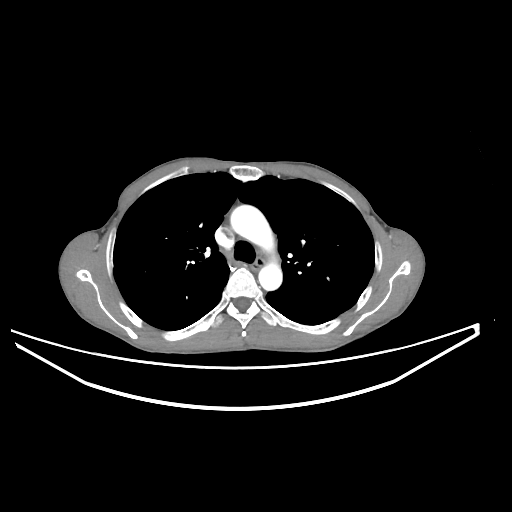
Chest-level slice from an abdominal CT that extends up into the chest; axial view; 60-year-old male patient
At this level of the chest this dataset labels only the esophagus and the aorta, and each is boxed only where it is labeled; the heart and lungs are never labeled.
Boxes: x1:y1:x2:y2 in pixels.
aorta: 230:205:282:290
esophagus: 250:258:264:271